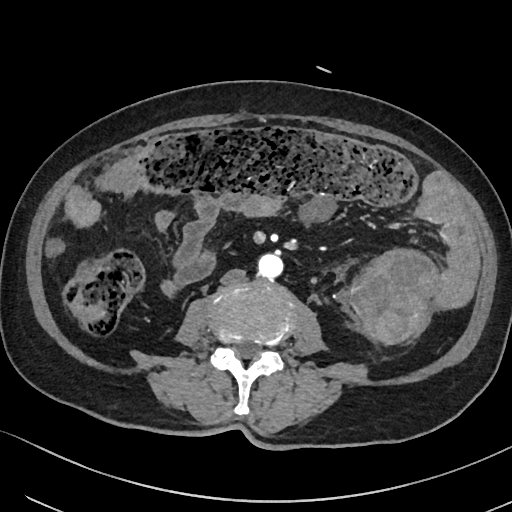 Computed tomography, abdomen — axial plane, index 123 — W/L 400/40 HU — 512x512 px
{"organs":{"aorta":[258,253,283,278],"inferior vena cava":[220,268,246,284]}}